Computed tomography, abdomen — axial view — scan has 15 labeled organs (counted over the whole 3D scan, not this slice; an organ is boxed only where this slice passes through it)
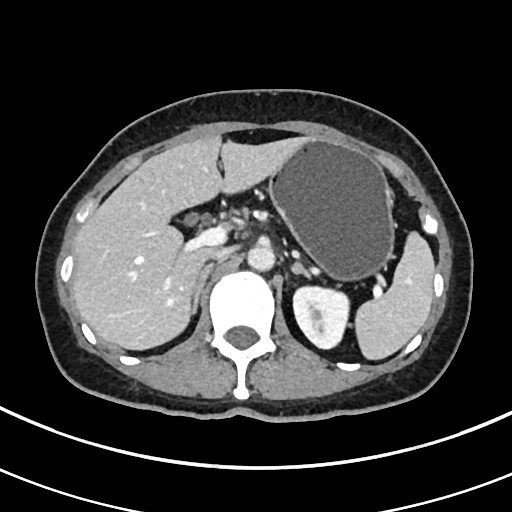 Box edges are left/top/right/bottom in pixels.
Organ bounding boxes:
- spleen: left=354, top=232, right=434, bottom=360
- left kidney: left=293, top=285, right=347, bottom=348
- liver: left=72, top=136, right=313, bottom=350
- stomach: left=269, top=138, right=393, bottom=280
- aorta: left=247, top=243, right=275, bottom=271
- inferior vena cava: left=209, top=247, right=232, bottom=260
- right adrenal gland: left=192, top=264, right=213, bottom=311
- left adrenal gland: left=289, top=263, right=310, bottom=279